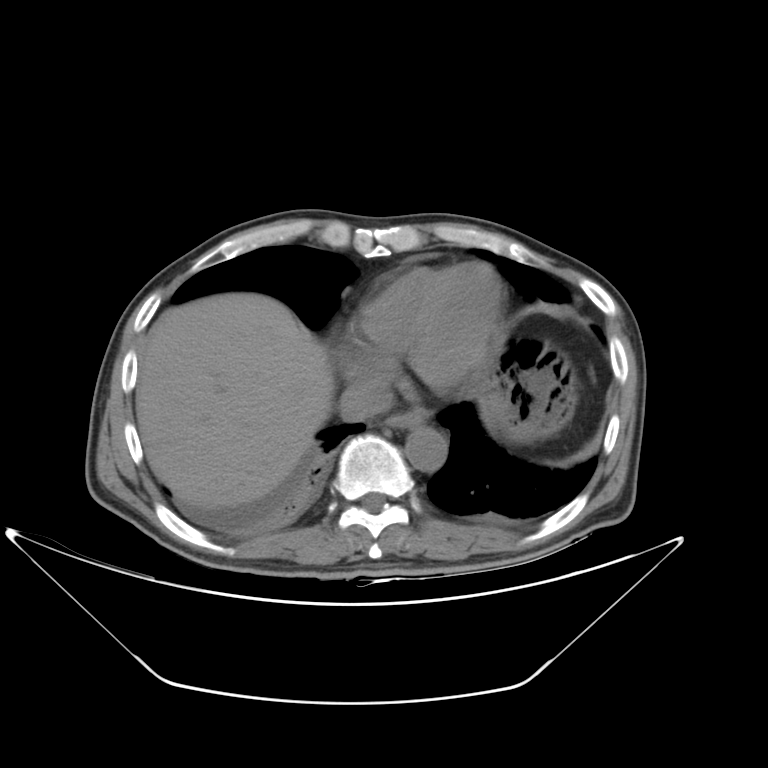

Abdominal CT; Axial slice 91/104; soft-tissue window; 768x768 px; 65-year-old male patient; 15 organs annotated in this scan (that count is for the whole scan; organs this slice misses have no box)
Boxes are (x1, y1, x2, y2) in pixels. The annotated organs in this slice are: esophagus at (383, 409, 425, 429), liver at (135, 292, 333, 509), stomach at (479, 334, 578, 443), aorta at (406, 427, 447, 471), inferior vena cava at (338, 378, 392, 421).